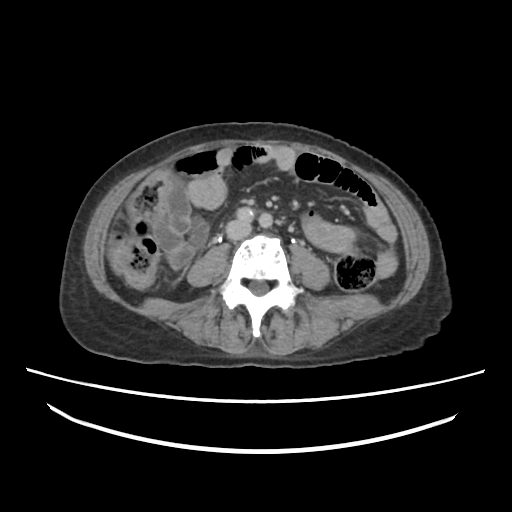 Computed tomography, abdomen — axial view — soft-tissue window (W 400 / L 40) — 512x512 px — 71-year-old female patient
{"organs":{"inferior vena cava":[224,217,252,241]}}